Abdominal CT; axial view
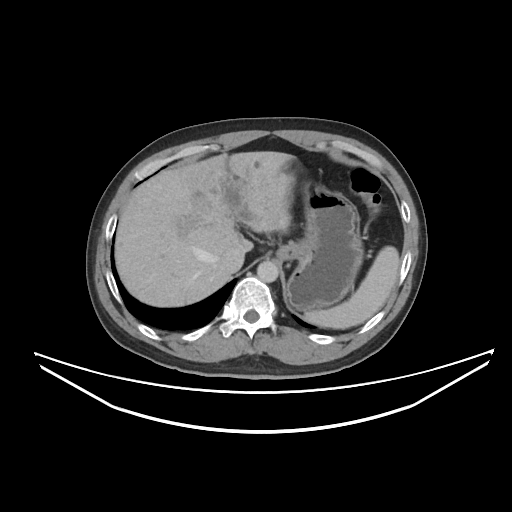

<organs><organ name="spleen" x1="304" y1="246" x2="399" y2="329"/><organ name="esophagus" x1="276" y1="246" x2="294" y2="260"/><organ name="liver" x1="115" y1="151" x2="294" y2="306"/><organ name="stomach" x1="287" y1="181" x2="363" y2="310"/><organ name="aorta" x1="257" y1="261" x2="278" y2="282"/><organ name="inferior vena cava" x1="221" y1="248" x2="244" y2="272"/></organs>